CT of the abdomen reaching into the lower chest, slice just above the liver and spleen — axial view — acquired on Brilliance16 — scan has 15 labeled organs (counted over the whole 3D scan, not this slice; an organ is boxed only where this slice passes through it)
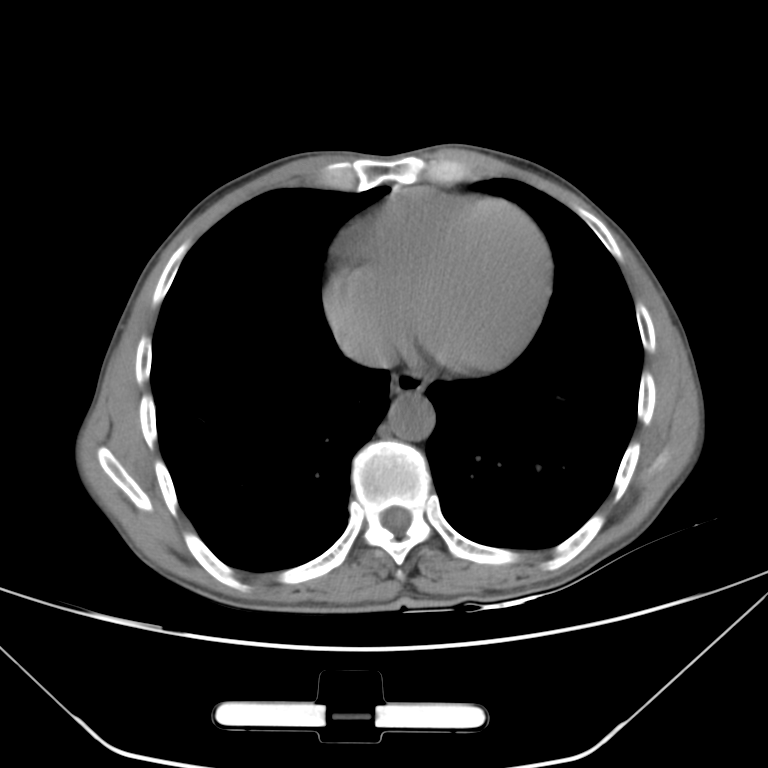
The heart and lungs are never labeled in this dataset, so they have no box on this slice. Boxes: x1 y1 x2 y2 (pixel coords, space-separated). Labeled organs on this slice: inferior vena cava at 342 329 395 368, aorta at 387 394 435 440, esophagus at 392 371 425 395.